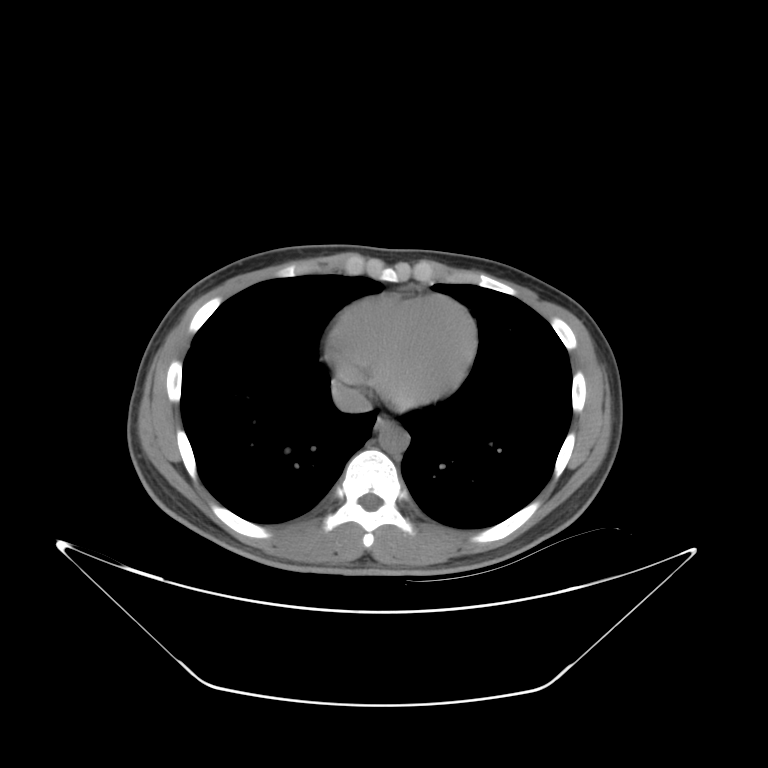 Abdominal CT; this slice is in the lower chest, just above the liver — axial view — 768x768 px — 16-year-old male patient
The heart and lungs are never labeled in this dataset, so they have no box on this slice.
Organ boxes in pixel coordinates; each row gives the top-left (x1, y1) and bottom-right (x2, y2) corners.
| organ | x1 | y1 | x2 | y2 |
|---|---|---|---|---|
| esophagus | 371 | 415 | 390 | 436 |
| aorta | 377 | 423 | 407 | 454 |
| inferior vena cava | 331 | 377 | 372 | 413 |